Abdominal MR; Coronal slice 32/60; scan has 13 labeled organs (a whole-scan count: organs this slice does not pass through have no box)
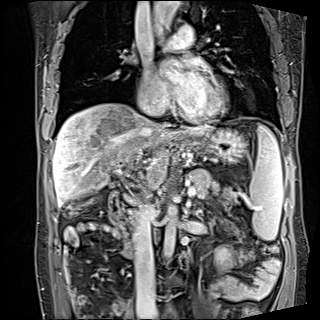 Boxes are (x1, y1, x2, y2) in pixels. 9 labeled organs on this slice — spleen at (249, 125, 282, 240); left kidney at (216, 247, 230, 264); esophagus at (182, 138, 186, 138); liver at (53, 102, 212, 205); stomach at (187, 128, 246, 162); aorta at (164, 202, 178, 259); aorta at (151, 1, 181, 29); aorta at (154, 31, 169, 35); inferior vena cava at (132, 203, 156, 311); pancreas at (189, 168, 236, 206); duodenum at (108, 188, 136, 259).